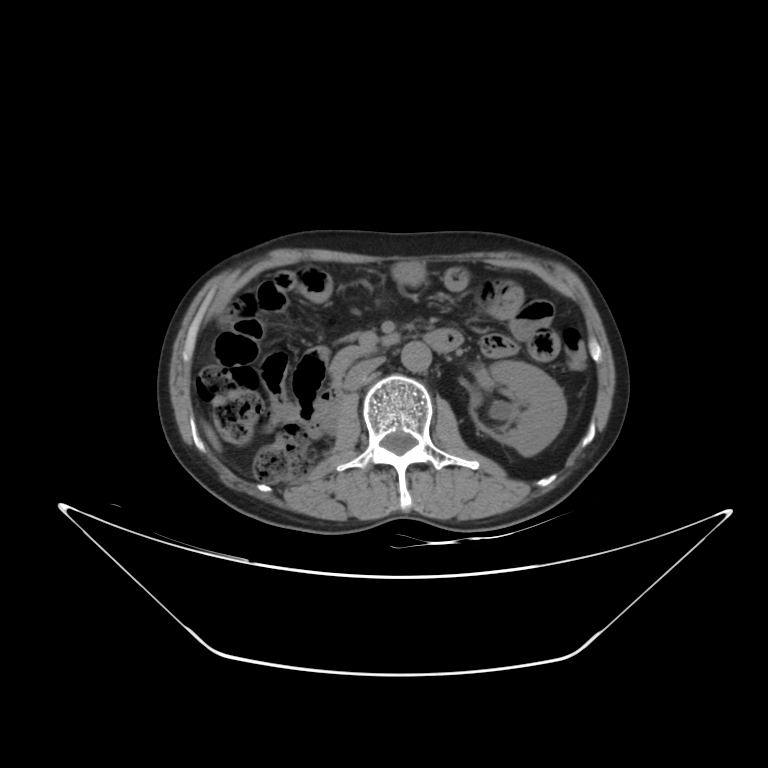

Computed tomography, abdomen — axial view — abdomen soft-tissue window — 52-year-old male patient — acquired on Brilliance16
Boxes: x1 y1 x2 y2 (pixel coords, space-separated).
Organ bounding boxes:
- left kidney: 469 360 566 456
- liver: 204 425 220 449
- aorta: 401 342 431 372
- inferior vena cava: 345 357 384 390
- pancreas: 330 346 366 381
- duodenum: 315 329 462 422